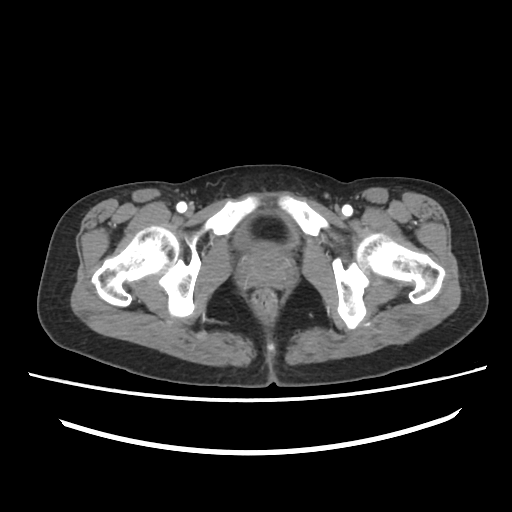

CT abdomen · axial view · 45-year-old female patient
Bounding boxes as [x1, y1, x2, y2] in pixel coordinates.
bladder: [234, 208, 296, 251]
prostate/uterus: [239, 250, 291, 286]